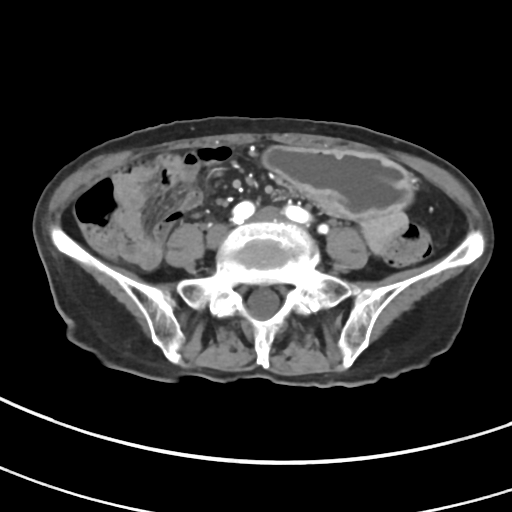

Abdominal CT; Axial slice 37/118; 512x512 px
Bounding boxes in pixels, one row per box: x1, y1 is the top-left corner and x2, y2 the bottom-right.
| organ | x1 | y1 | x2 | y2 |
|---|---|---|---|---|
| stomach | 264 | 146 | 411 | 218 |